CT, abdomen/pelvis. Axial slice 11/116. W/L 400/40 HU. acquired on Aquilion ONE. 15 organs annotated in this scan (counted over the whole 3D scan, not this slice; an organ is boxed only where this slice passes through it)
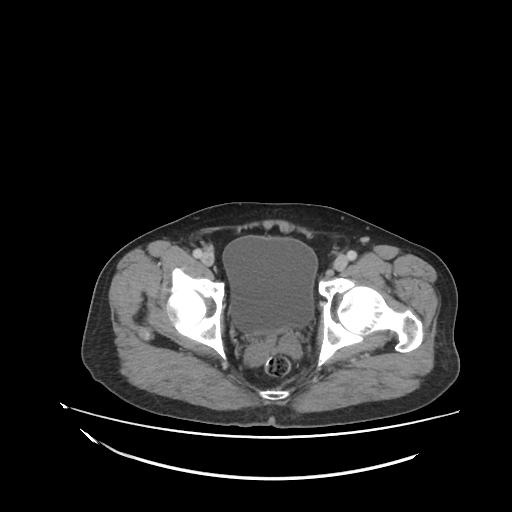

Boxes: x1 y1 x2 y2 (pixel coords, space-separated).
Organ bounding boxes:
- bladder: 224 236 317 335